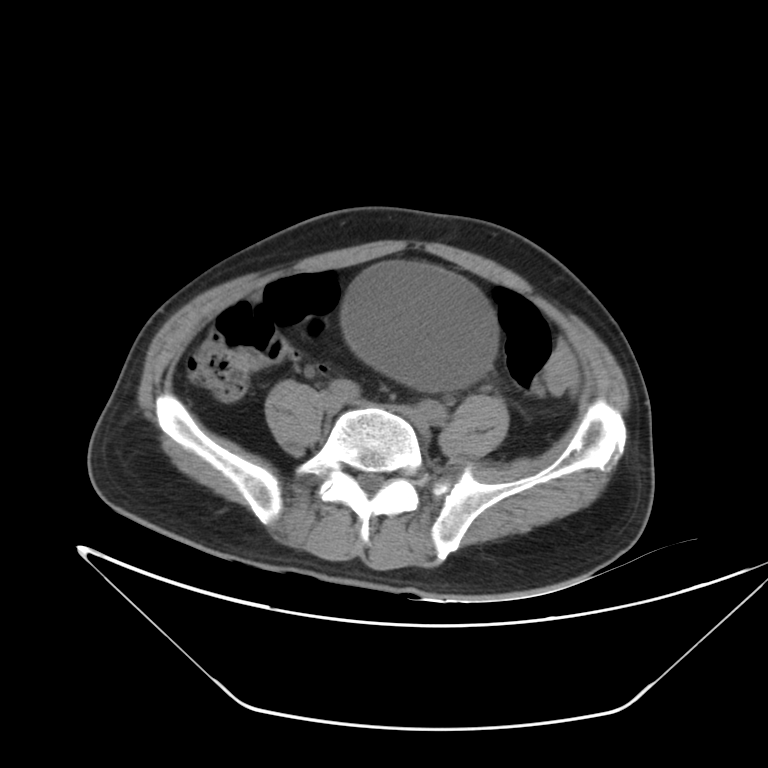

CT, abdomen/pelvis · axial view · soft-tissue window · 47-year-old male patient
<organs><organ name="bladder" x1="341" y1="262" x2="493" y2="388"/></organs>